Computed tomography, abdomen · axial plane, index 37 · 512x512 px
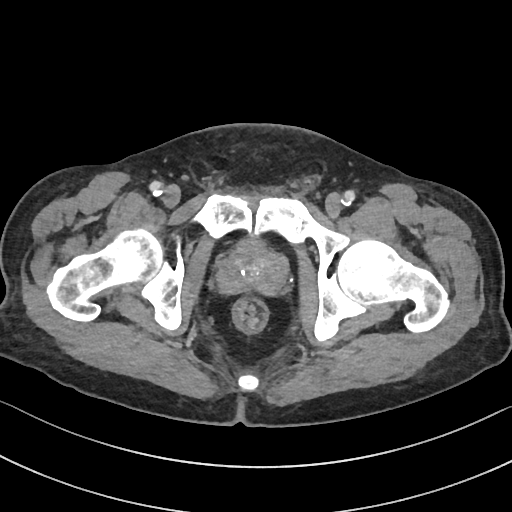 <organs><organ name="prostate/uterus" x1="216" y1="245" x2="286" y2="295"/></organs>